Computed tomography, abdomen. axial plane, index 16. 512x512 px. Aquilion ONE scanner
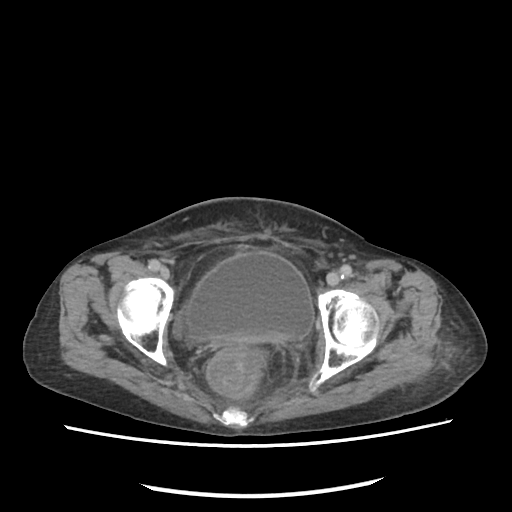

<organs><organ name="bladder" x1="186" y1="252" x2="313" y2="341"/></organs>